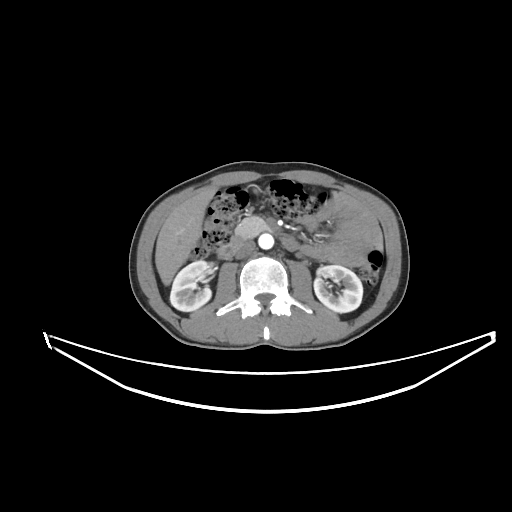 Computed tomography, abdomen; axial plane, index 56; 52-year-old male patient; Aquilion ONE scanner
{"organs":{"right kidney":[170,260,213,311],"left kidney":[314,265,362,312],"liver":[155,189,216,285],"aorta":[258,233,274,249],"inferior vena cava":[235,240,255,258],"pancreas":[235,216,270,238],"duodenum":[218,231,299,258]}}